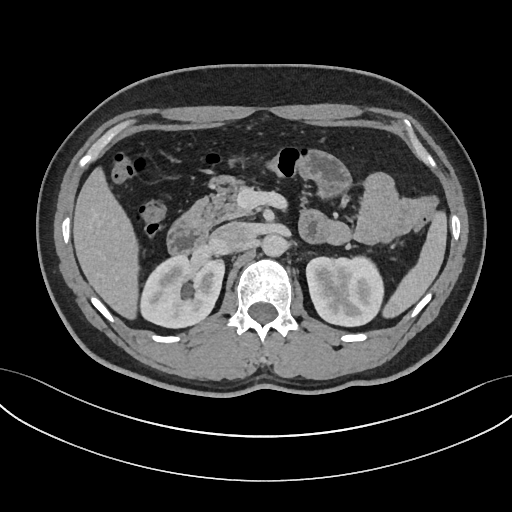
CT, abdomen/pelvis. axial plane, index 178. W/L 400/40 HU. 512x512 px. acquired on SOMATOM Force
<organs><organ name="pancreas" x1="187" y1="175" x2="251" y2="228"/><organ name="inferior vena cava" x1="209" y1="222" x2="255" y2="254"/><organ name="aorta" x1="261" y1="234" x2="286" y2="256"/><organ name="spleen" x1="382" y1="211" x2="446" y2="318"/><organ name="liver" x1="73" y1="167" x2="138" y2="319"/><organ name="left kidney" x1="306" y1="256" x2="383" y2="326"/><organ name="duodenum" x1="167" y1="212" x2="207" y2="255"/><organ name="right kidney" x1="140" y1="256" x2="224" y2="327"/></organs>